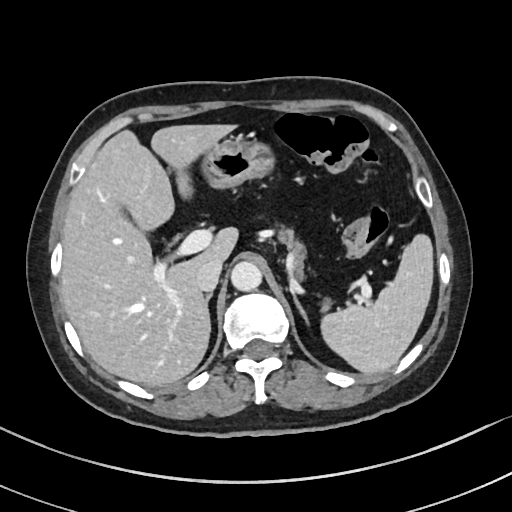 Computed tomography, abdomen — axial view — 14 organs annotated in this scan (a whole-scan count: organs this slice does not pass through have no box)
Bounding boxes in pixels, one row per box: x1, y1 is the top-left corner and x2, y2 the bottom-right.
| organ | x1 | y1 | x2 | y2 |
|---|---|---|---|---|
| spleen | 320 | 234 | 433 | 374 |
| liver | 60 | 124 | 236 | 386 |
| stomach | 203 | 140 | 270 | 188 |
| aorta | 231 | 261 | 262 | 291 |
| inferior vena cava | 195 | 258 | 222 | 291 |
| pancreas | 274 | 228 | 305 | 280 |
| right adrenal gland | 204 | 293 | 212 | 334 |
| left adrenal gland | 294 | 298 | 309 | 324 |